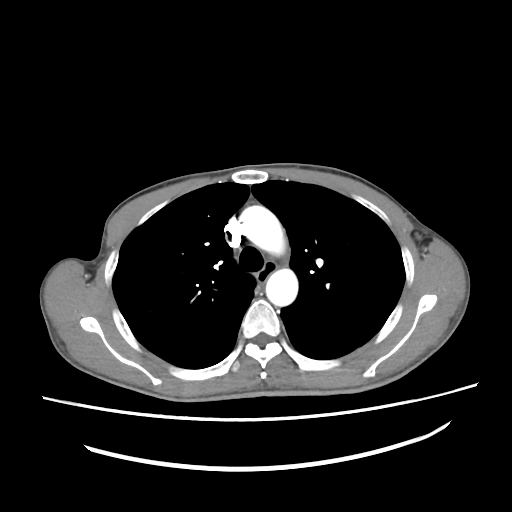
CT of the abdomen extending into the chest, slice through the chest. axial plane, index 114. W/L 400/40 HU. 512x512 px
At this level of the chest no structure but the esophagus and the aorta has a label in this dataset, and those two are boxed only where they are labeled.
Bounding boxes as [x1, y1, x2, y2] in pixel coordinates.
aorta: [241, 206, 285, 255]
aorta: [265, 268, 298, 306]
esophagus: [257, 262, 277, 283]